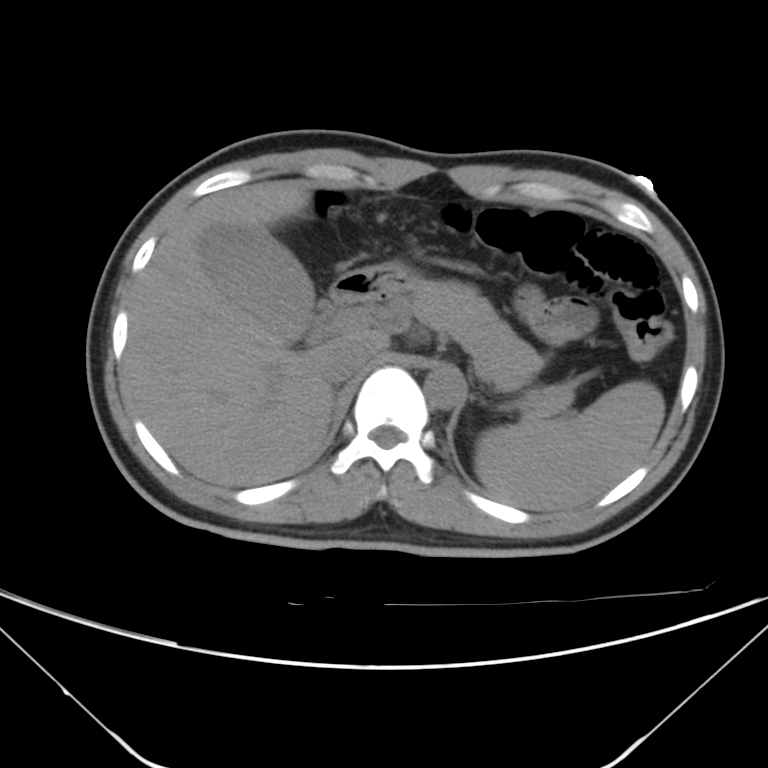 CT, abdomen/pelvis · axial view · soft-tissue window (W 400 / L 40) · 768x768 px · 24-year-old male patient
Bounding boxes in pixels, one row per box: x1, y1 is the top-left corner and x2, y2 the bottom-right.
| organ | x1 | y1 | x2 | y2 |
|---|---|---|---|---|
| spleen | 473 | 381 | 664 | 510 |
| gall bladder | 200 | 226 | 315 | 339 |
| liver | 124 | 181 | 388 | 487 |
| stomach | 373 | 263 | 418 | 302 |
| aorta | 425 | 366 | 464 | 409 |
| inferior vena cava | 325 | 335 | 376 | 383 |
| pancreas | 397 | 281 | 570 | 416 |
| duodenum | 329 | 267 | 407 | 307 |